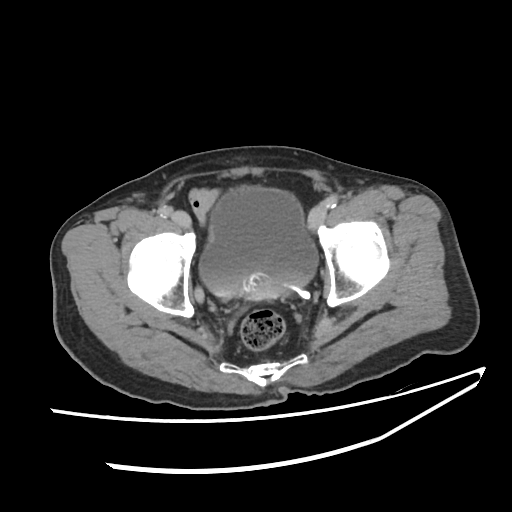 Computed tomography, abdomen — axial view — W/L 400/40 HU — 512x512 px — 83-year-old male patient — acquired on Aquilion ONE — 15 organs annotated in this scan (that count is for the whole scan; organs this slice misses have no box)
One row per box, in pixels: columns x1 and y1 give the top-left corner, x2 and y2 the bottom-right.
| organ | x1 | y1 | x2 | y2 |
|---|---|---|---|---|
| bladder | 198 | 187 | 315 | 296 |